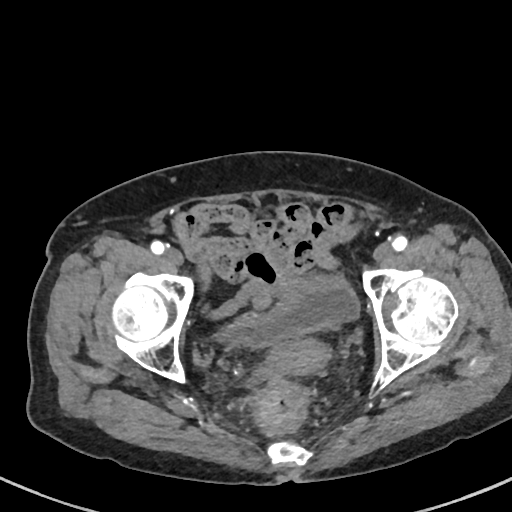
Abdominal CT · axial view
Boxes: x1 y1 x2 y2 (pixel coords, space-separated).
bladder: 218 276 359 345
prostate/uterus: 268 335 330 375